Abdominal CT reaching into the chest; this slice is in the chest · axial plane, index 293 · W/L 400/40 HU · 512x512 px · SOMATOM Force scanner
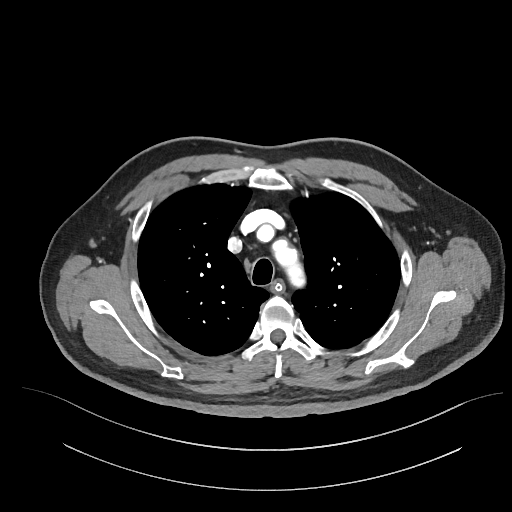 At this level of the chest no structure but the esophagus and the aorta has a label in this dataset, and those two are boxed only where they are labeled.
Organ boxes in pixel coordinates; each row gives the top-left (x1, y1) and bottom-right (x2, y2) corners.
| organ | x1 | y1 | x2 | y2 |
|---|---|---|---|---|
| esophagus | 272 | 282 | 283 | 290 |
| aorta | 281 | 252 | 286 | 257 |